CT of the abdomen extending into the chest, slice through the chest · axial plane, index 82
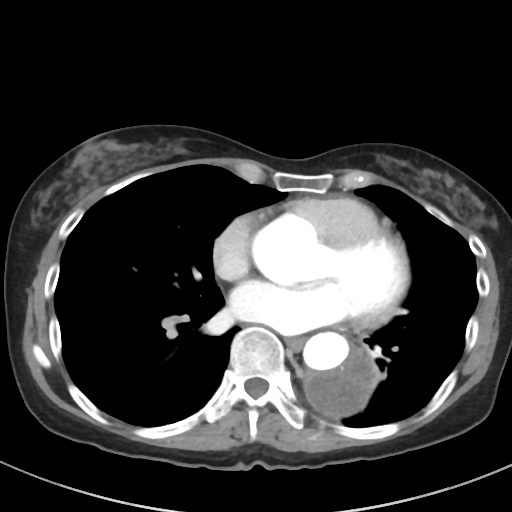

On a slice this high in the chest, this dataset labels only the esophagus and the aorta, and each is boxed only where it is labeled; the heart, lungs and other chest structures are not labeled.
Organ boxes in pixel coordinates; each row gives the top-left (x1, y1) and bottom-right (x2, y2) corners.
| organ | x1 | y1 | x2 | y2 |
|---|---|---|---|---|
| esophagus | 286 | 337 | 304 | 350 |
| aorta | 303 | 332 | 375 | 416 |